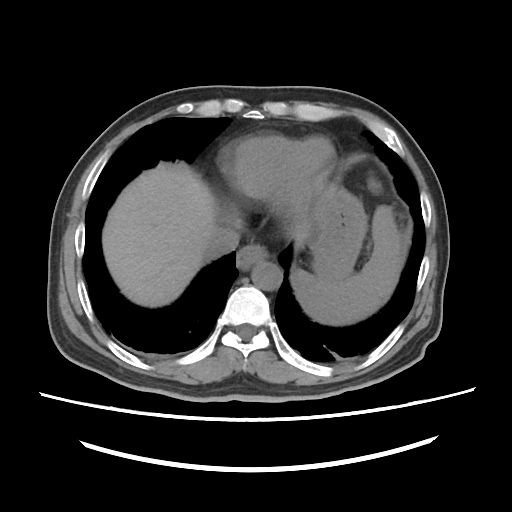

Abdominal CT. axial view. 512x512 px. 49-year-old male patient. 14 organs annotated in this scan (that count is for the whole scan; organs this slice misses have no box)
{"organs":{"spleen":[292,179,402,325],"esophagus":[236,244,267,269],"stomach":[308,185,366,279],"aorta":[251,261,281,290],"liver":[102,163,217,307],"inferior vena cava":[204,228,239,258]}}